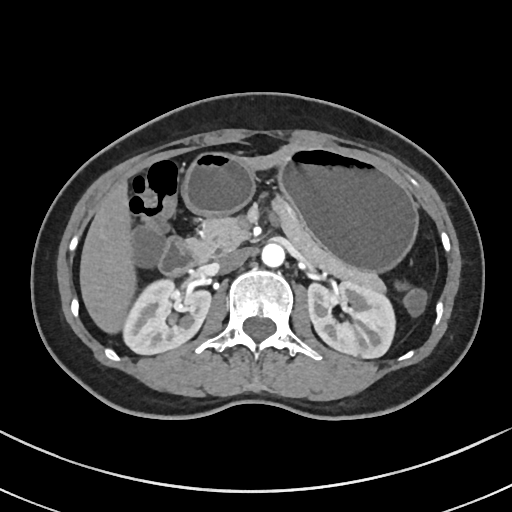 CT abdomen; Axial slice 166/242; soft-tissue window; 512x512 px; scan has 15 labeled organs (that count is for the whole scan; organs this slice misses have no box)
Bounding boxes in pixels, one row per box: x1, y1 is the top-left corner and x2, y2 the bottom-right.
| organ | x1 | y1 | x2 | y2 |
|---|---|---|---|---|
| right kidney | 122 | 279 | 211 | 354 |
| left kidney | 307 | 283 | 395 | 358 |
| liver | 79 | 146 | 296 | 333 |
| stomach | 182 | 147 | 418 | 271 |
| aorta | 261 | 243 | 284 | 267 |
| inferior vena cava | 217 | 250 | 247 | 271 |
| pancreas | 192 | 198 | 385 | 294 |
| duodenum | 159 | 237 | 204 | 276 |